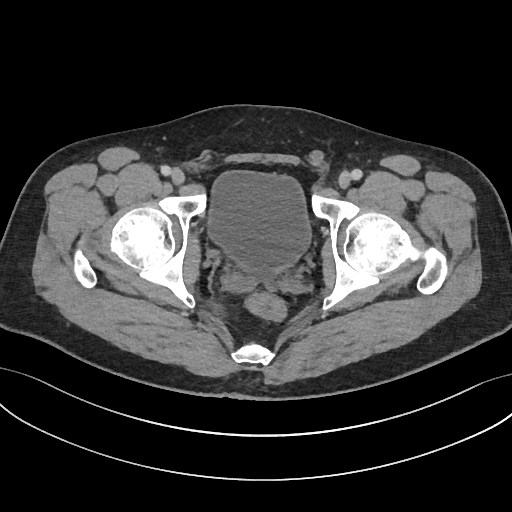 CT abdomen · Axial slice 34/345
<organs><organ name="bladder" x1="208" y1="171" x2="310" y2="272"/></organs>